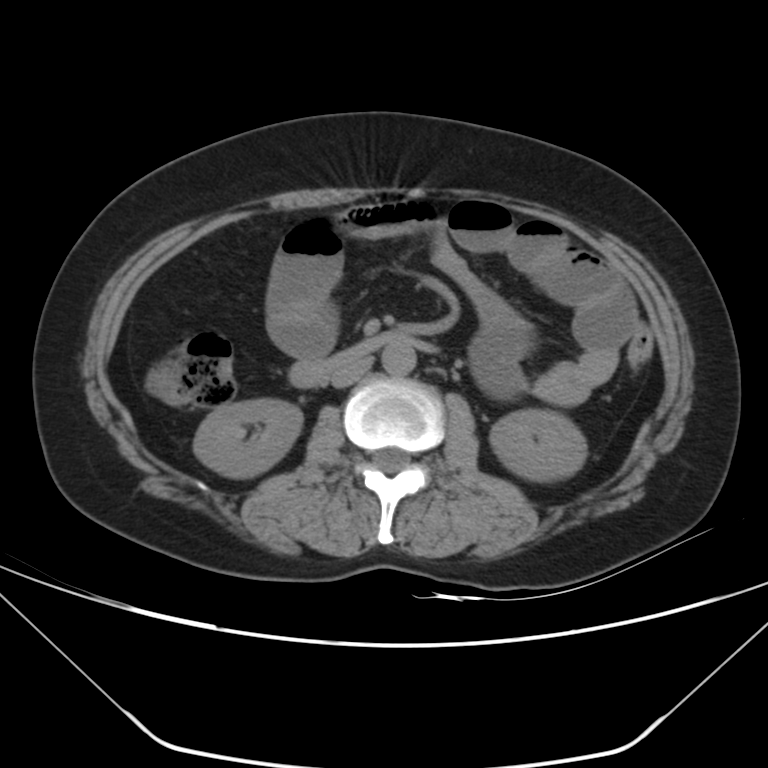

CT, abdomen/pelvis · axial view · 768x768 px · acquired on Brilliance16
Bounding boxes as [x1, y1, x2, y2] in pixel coordinates.
Organ bounding boxes:
- inferior vena cava: [331, 357, 372, 387]
- aorta: [382, 342, 415, 376]
- left kidney: [490, 409, 586, 481]
- right kidney: [194, 398, 302, 478]
- duodenum: [288, 331, 436, 387]